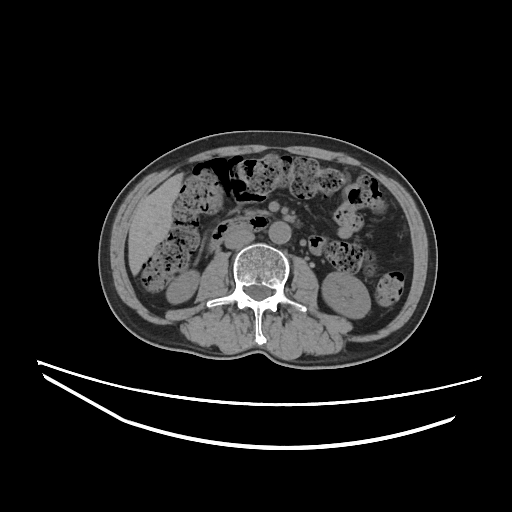 Computed tomography, abdomen; axial view; W/L 400/40 HU; 512x512 px
Coordinates as <box>x1,y1,x2,y2</box> in pixels. 6 labeled organs on this slice — right kidney at <box>166,270,198,303</box>; left kidney at <box>322,272,370,318</box>; liver at <box>128,173,183,274</box>; aorta at <box>268,221,290,243</box>; inferior vena cava at <box>225,227,254,248</box>; duodenum at <box>210,211,269,247</box>.